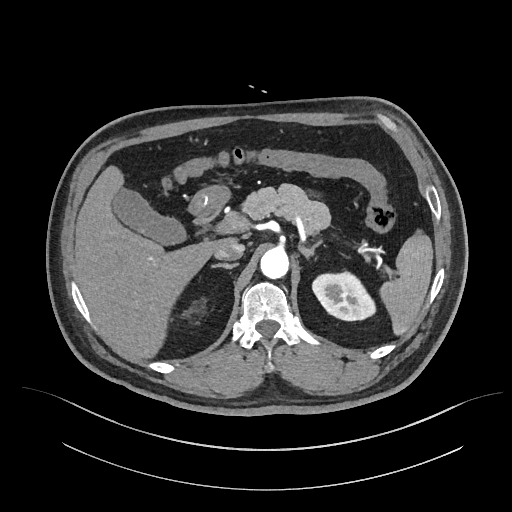 CT abdomen; axial view; soft-tissue window (W 400 / L 40); 512x512 px
Boxes: x1:y1:x2:y2 in pixels.
spleen: 379:230:433:335
left kidney: 312:272:375:320
gall bladder: 112:188:186:245
liver: 75:165:236:358
stomach: 186:185:229:215
aorta: 260:248:288:278
inferior vena cava: 214:242:244:260
pancreas: 241:184:330:235
right adrenal gland: 210:263:237:269
left adrenal gland: 299:240:321:258
duodenum: 195:202:225:224